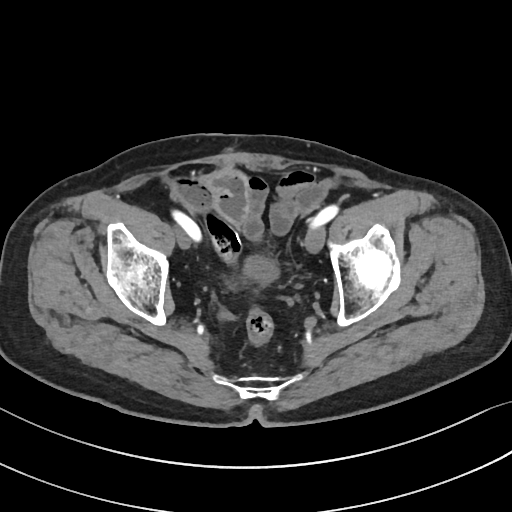

CT, abdomen/pelvis. axial view. W/L 400/40 HU
One row per box, in pixels: columns x1 and y1 give the top-left corner, x2 and y2 the bottom-right.
| organ | x1 | y1 | x2 | y2 |
|---|---|---|---|---|
| bladder | 244 | 256 | 278 | 283 |